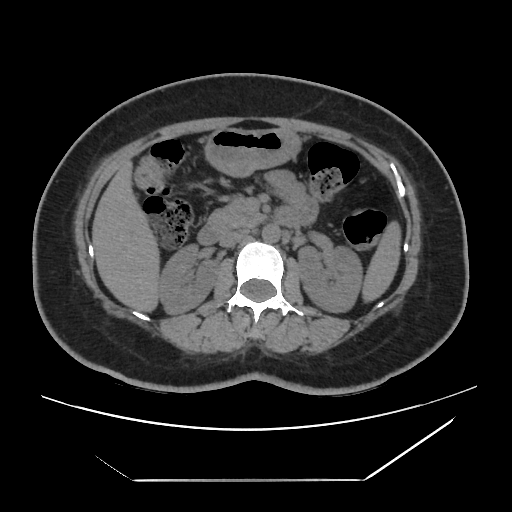
CT abdomen · Axial slice 214/345 · 512x512 px · 15 organs annotated in this scan (a whole-scan count: organs this slice does not pass through have no box)
One row per box, in pixels: columns x1 and y1 give the top-left corner, x2 and y2 the bottom-right.
| organ | x1 | y1 | x2 | y2 |
|---|---|---|---|---|
| left kidney | 297 | 246 | 361 | 312 |
| pancreas | 207 | 200 | 263 | 231 |
| liver | 91 | 159 | 160 | 312 |
| spleen | 361 | 220 | 401 | 303 |
| inferior vena cava | 219 | 229 | 248 | 247 |
| stomach | 204 | 128 | 301 | 177 |
| duodenum | 196 | 206 | 298 | 245 |
| right kidney | 159 | 245 | 218 | 314 |
| aorta | 262 | 224 | 280 | 243 |